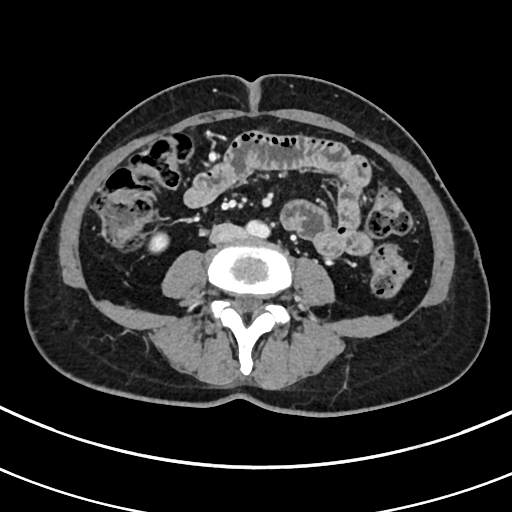

CT, abdomen/pelvis; axial view; abdomen soft-tissue window; 512x512 px; 15 organs annotated in this scan (that count is for the whole scan; organs this slice misses have no box)
<organs><organ name="right kidney" x1="148" y1="232" x2="168" y2="253"/><organ name="aorta" x1="246" y1="220" x2="269" y2="237"/><organ name="inferior vena cava" x1="210" y1="223" x2="245" y2="243"/></organs>